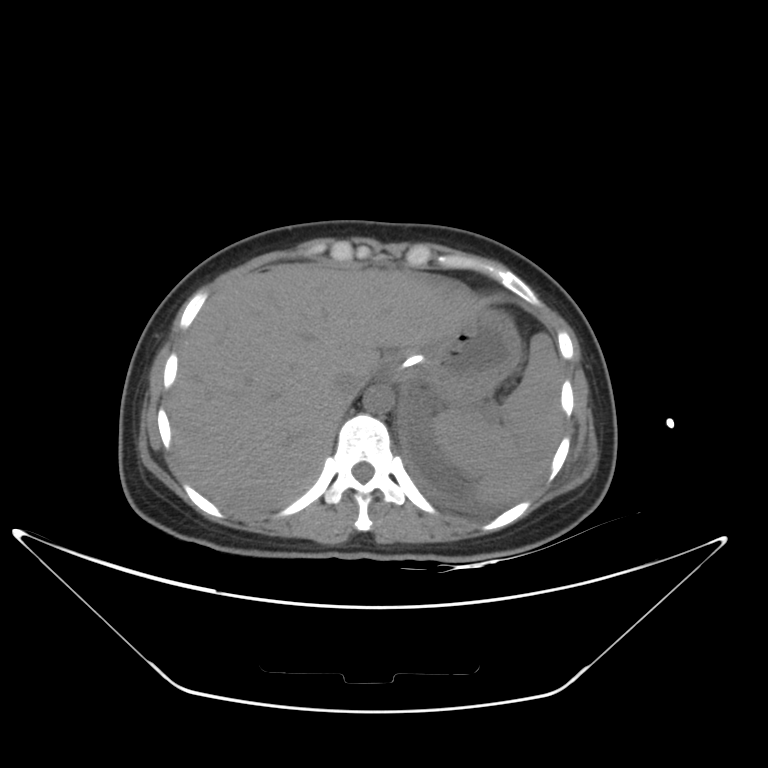

CT, abdomen/pelvis · axial view · soft-tissue window (W 400 / L 40) · 768x768 px · acquired on Brilliance16
Boxes: x1 y1 x2 y2 (pixel coords, space-separated).
spleen: 432 332 562 503
esophagus: 377 351 402 382
liver: 168 263 483 516
stomach: 395 307 522 405
aorta: 363 385 393 413
inferior vena cava: 334 370 366 401